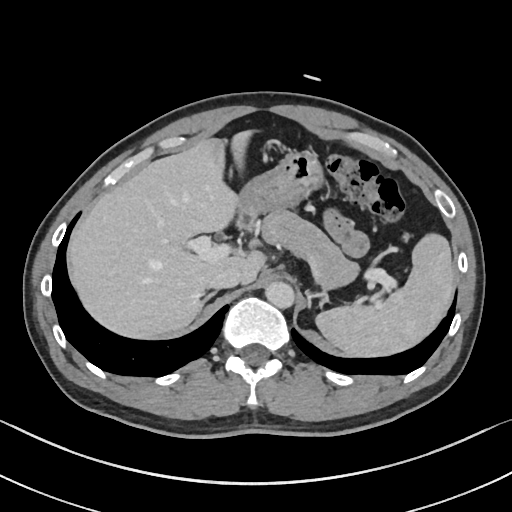 CT, abdomen/pelvis. axial view. 512x512 px. scan has 15 labeled organs (that count is for the whole scan; organs this slice misses have no box)
{"organs":{"spleen":[315,233,454,356],"liver":[68,130,267,337],"stomach":[238,151,323,225],"aorta":[265,282,295,309],"inferior vena cava":[209,267,240,290],"pancreas":[263,211,359,288],"right adrenal gland":[200,294,212,308]}}